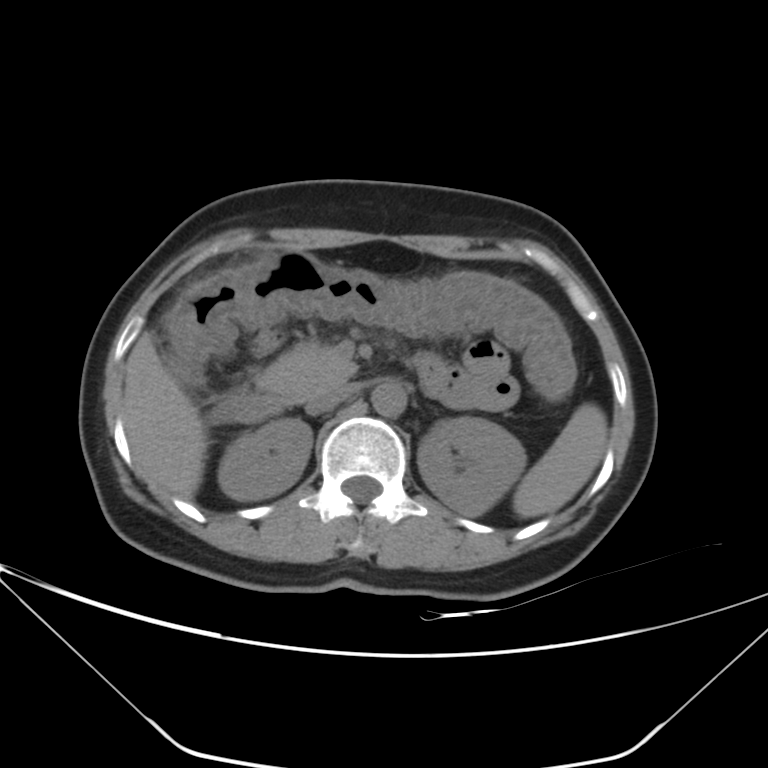 Abdominal CT · axial view · acquired on Brilliance16 · scan has 15 labeled organs (that count is for the whole scan; organs this slice misses have no box)
<organs><organ name="spleen" x1="513" y1="403" x2="606" y2="518"/><organ name="aorta" x1="371" y1="381" x2="407" y2="416"/><organ name="pancreas" x1="257" y1="342" x2="356" y2="402"/><organ name="right kidney" x1="217" y1="419" x2="312" y2="499"/><organ name="left kidney" x1="417" y1="417" x2="526" y2="515"/><organ name="inferior vena cava" x1="305" y1="384" x2="353" y2="414"/><organ name="duodenum" x1="212" y1="353" x2="446" y2="422"/><organ name="liver" x1="123" y1="332" x2="207" y2="498"/></organs>